CT, abdomen/pelvis · axial view · 512x512 px · acquired on SOMATOM Force
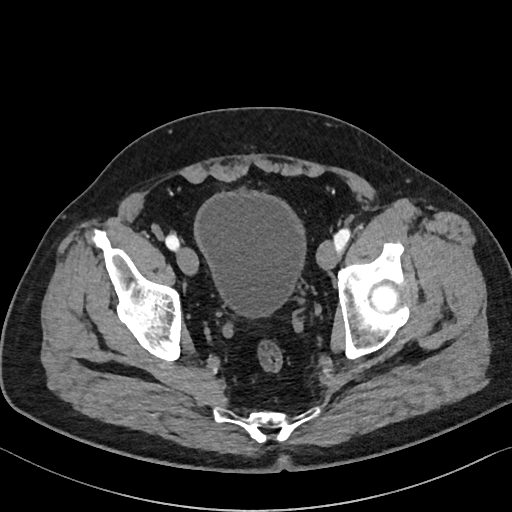

Coordinates as <box>x1,y1,x2,y2</box> in pixels. The annotated organs in this slice are: bladder at <box>194,191,305,316</box>.